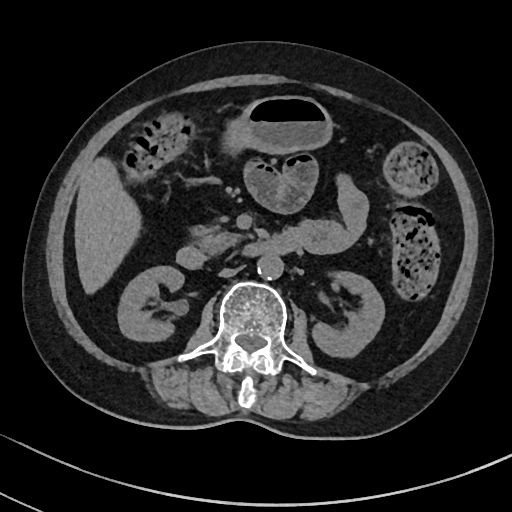

CT abdomen — axial view — 512x512 px — SOMATOM Force scanner
Boxes: x1 y1 x2 y2 (pixel coords, space-separated).
right kidney: 117 266 183 340
left kidney: 312 270 384 355
liver: 74 158 138 292
stomach: 228 95 331 152
aorta: 257 254 283 278
inferior vena cava: 219 267 238 277
pancreas: 195 223 242 253
duodenum: 176 229 301 269